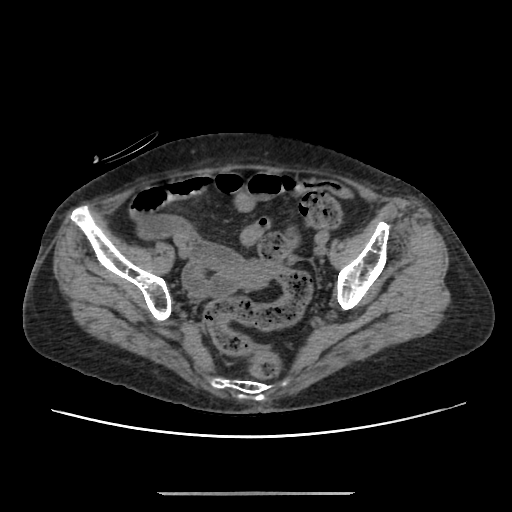
Abdominal CT — axial view
Box edges are left/top/right/bottom in pixels.
prostate/uterus: left=230, top=261, right=279, bottom=287